CT abdomen; axial plane, index 18; soft-tissue window
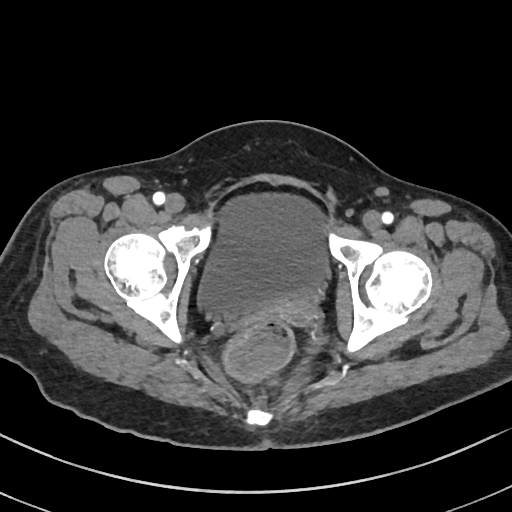 Bounding boxes as [x1, y1, x2, y2] in pixel coordinates.
Organ bounding boxes:
- bladder: [196, 192, 328, 315]
- prostate/uterus: [281, 290, 320, 328]